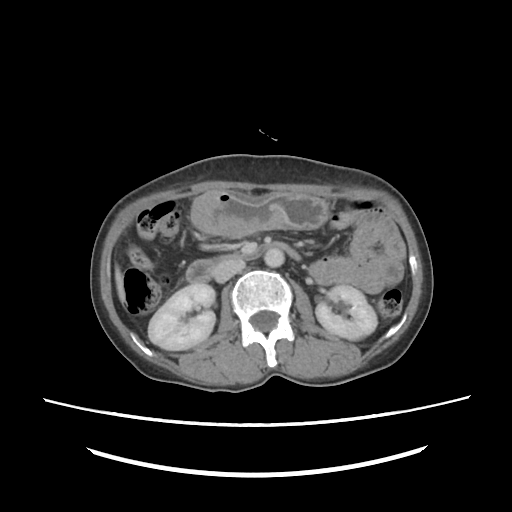 Computed tomography, abdomen; axial view; 60-year-old female patient
Boxes: x1 y1 x2 y2 (pixel coords, space-separated).
Organ bounding boxes:
- right kidney: 147 283 215 350
- left kidney: 315 284 376 339
- liver: 115 267 125 302
- stomach: 191 189 328 236
- aorta: 264 251 284 266
- inferior vena cava: 213 261 244 283
- duodenum: 186 242 303 283